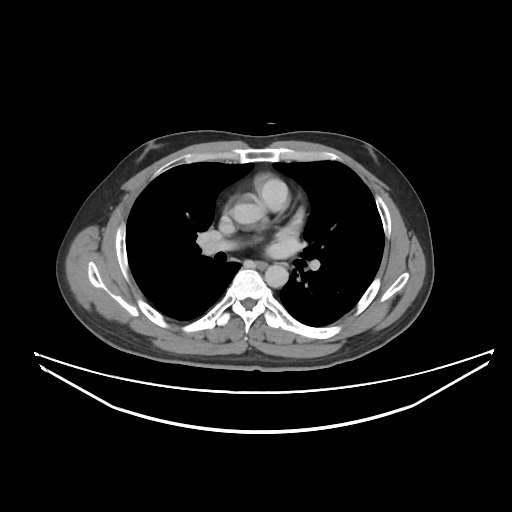

Abdominal CT reaching into the chest; this slice is in the chest — Axial slice 104/131 — soft-tissue window — 40-year-old male patient — acquired on Aquilion ONE — 15 organs annotated in this scan (a whole-scan count: organs this slice does not pass through have no box)
On a slice this high in the chest, this dataset labels only the esophagus and the aorta, and each is boxed only where it is labeled; the heart, lungs and other chest structures are not labeled.
{"organs":{"esophagus":[255,261,266,268],"aorta":[264,264,288,287]}}